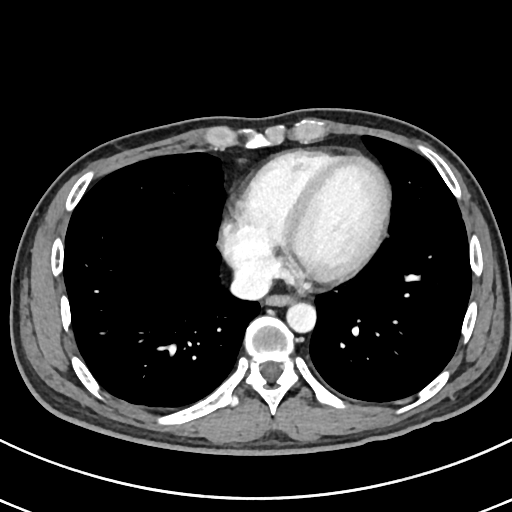 CT of the abdomen reaching into the lower chest, slice just above the liver and spleen — axial view — soft-tissue window
No part of the heart or lungs is labeled in this dataset, so neither has a box here.
Coordinates as <box>x1,y1,x2,y2</box> in pixels.
esophagus: <box>266,295,293,305</box>
aorta: <box>286,302,316,332</box>
inferior vena cava: <box>230,265,271,300</box>